CT abdomen · Axial slice 94/99 · scan has 15 labeled organs (counted over the whole 3D scan, not this slice; an organ is boxed only where this slice passes through it)
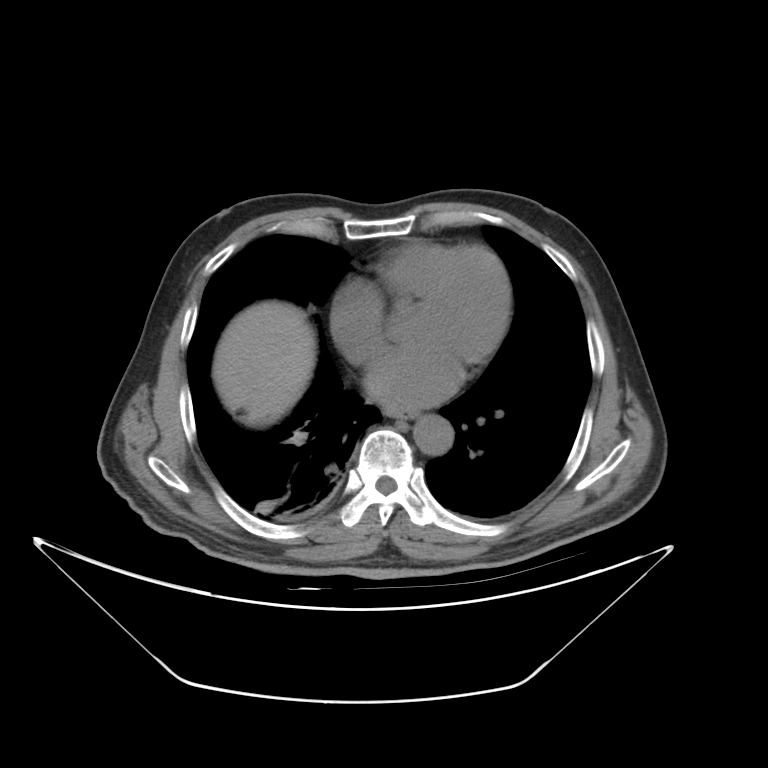

{"organs":{"aorta":[410,414,453,453],"esophagus":[382,405,419,418],"liver":[214,303,312,427]}}